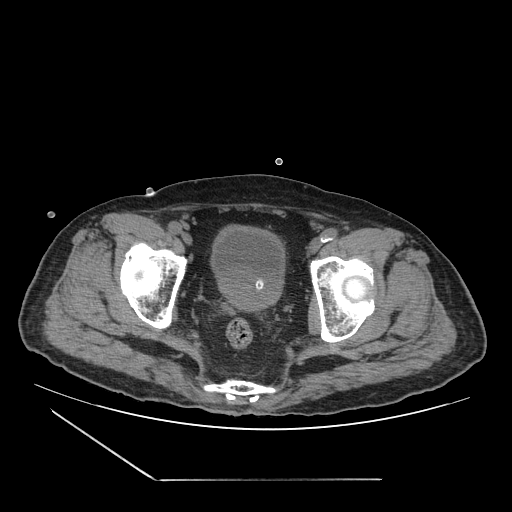 Computed tomography, abdomen. axial view. soft-tissue window (W 400 / L 40). 512x512 px. SOMATOM Force scanner. 15 organs annotated in this scan (that count is for the whole scan; organs this slice misses have no box)
Boxes: x1:y1:x2:y2 in pixels.
bladder: 211:225:284:296
prostate/uterus: 221:280:277:309